Abdominal CT; Axial slice 98/104; 58-year-old male patient
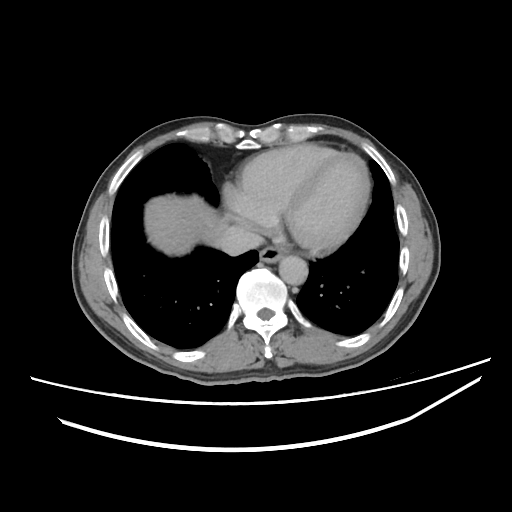
Boxes: x1:y1:x2:y2 in pixels.
esophagus: 258:246:286:263
liver: 145:195:224:254
aorta: 278:255:307:284
inferior vena cava: 216:225:263:254